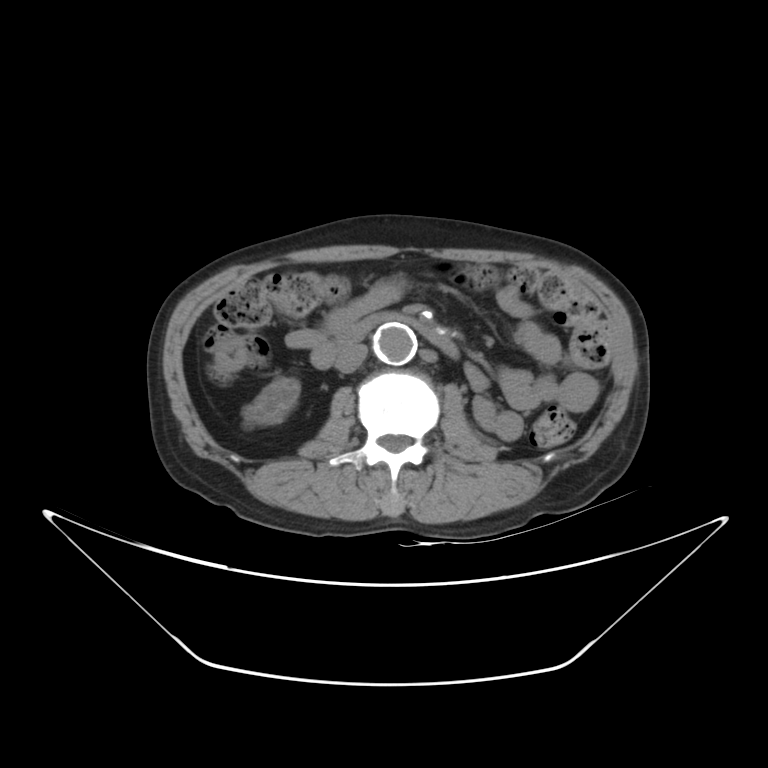

CT abdomen. Axial slice 62/94. 768x768 px. 59-year-old male patient. Brilliance16 scanner
Organ boxes in pixel coordinates; each row gives the top-left (x1, y1) and bottom-right (x2, y2) corners.
| organ | x1 | y1 | x2 | y2 |
|---|---|---|---|---|
| inferior vena cava | 336 | 342 | 367 | 372 |
| duodenum | 334 | 314 | 458 | 358 |
| right kidney | 243 | 377 | 300 | 427 |
| aorta | 373 | 324 | 415 | 362 |